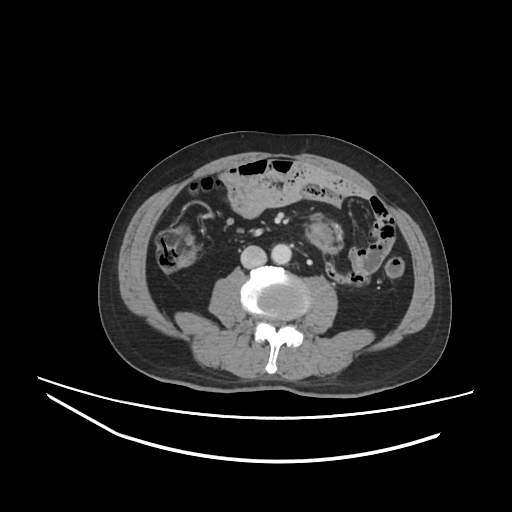
CT, abdomen/pelvis. axial view. soft-tissue window. 512x512 px. 54-year-old male patient. scan has 15 labeled organs (a whole-scan count: organs this slice does not pass through have no box)
Organ boxes in pixel coordinates; each row gives the top-left (x1, y1) and bottom-right (x2, y2) corners.
| organ | x1 | y1 | x2 | y2 |
|---|---|---|---|---|
| aorta | 271 | 244 | 291 | 264 |
| inferior vena cava | 240 | 245 | 266 | 268 |